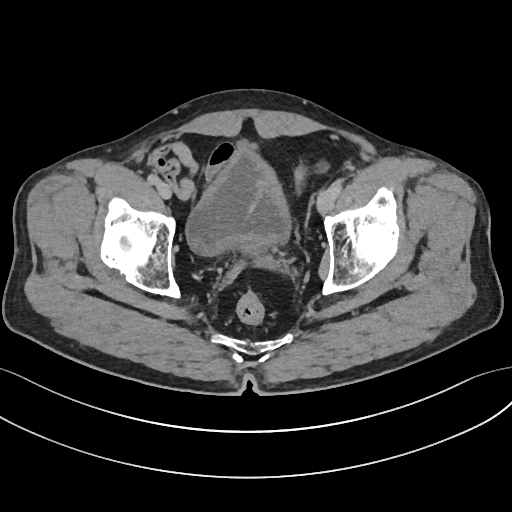
Abdominal CT. Axial slice 50/224
Boxes are (x1, y1, x2, y2) in pixels. The annotated organs in this slice are: bladder at (185, 150, 291, 255), prostate/uterus at (235, 235, 266, 252).